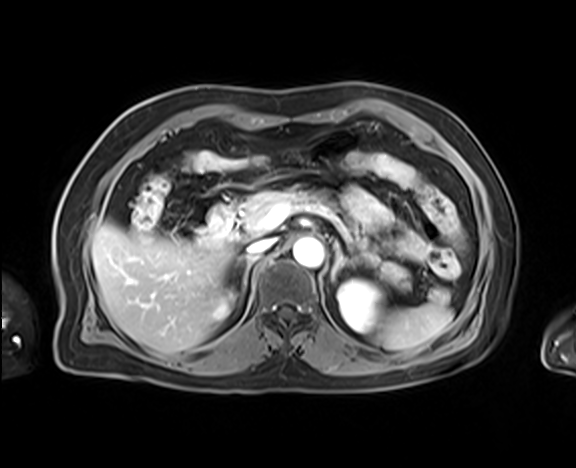
Magnetic resonance imaging, abdomen · axial plane, index 36 · 576x468 px · Prisma scanner
Each box given as x1,y1,x2,y2.
Organ bounding boxes:
- spleen: x1=375, y1=303, x2=452, y2=349
- right kidney: x1=212, y1=294, x2=232, y2=320
- left kidney: x1=337, y1=279, x2=381, y2=332
- liver: x1=92, y1=223, x2=234, y2=353
- aorta: x1=292, y1=237, x2=323, y2=267
- inferior vena cava: x1=246, y1=239, x2=274, y2=256
- pancreas: x1=239, y1=189, x2=410, y2=290
- right adrenal gland: x1=235, y1=257, x2=254, y2=292
- left adrenal gland: x1=331, y1=244, x2=355, y2=279
- duodenum: x1=197, y1=205, x2=243, y2=243